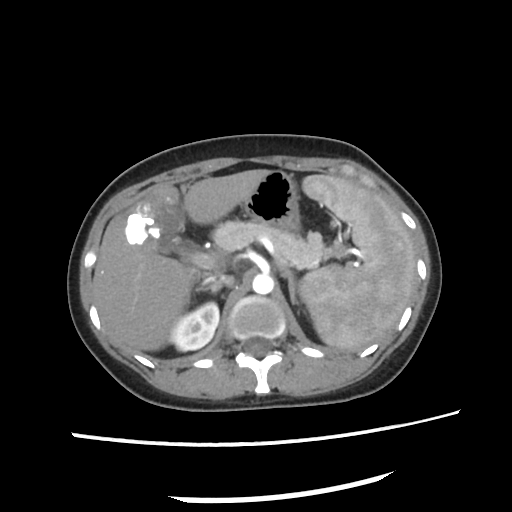 Abdominal CT. Axial slice 69/124. 512x512 px
<organs><organ name="gall bladder" x1="155" y1="204" x2="198" y2="253"/><organ name="pancreas" x1="213" y1="220" x2="324" y2="268"/><organ name="spleen" x1="299" y1="174" x2="417" y2="351"/><organ name="inferior vena cava" x1="201" y1="275" x2="234" y2="283"/><organ name="stomach" x1="243" y1="171" x2="300" y2="230"/><organ name="liver" x1="91" y1="169" x2="268" y2="349"/><organ name="right kidney" x1="168" y1="301" x2="219" y2="351"/><organ name="right adrenal gland" x1="194" y1="283" x2="221" y2="291"/><organ name="left adrenal gland" x1="281" y1="269" x2="298" y2="302"/><organ name="aorta" x1="254" y1="273" x2="274" y2="294"/></organs>